Abdominal CT · axial view · W/L 400/40 HU · 15 organs annotated in this scan (a whole-scan count: organs this slice does not pass through have no box)
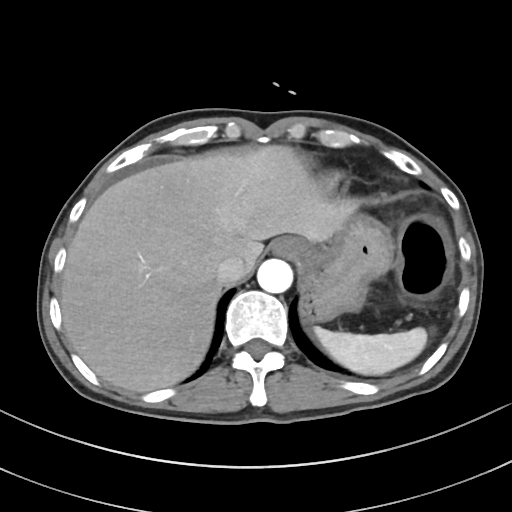
One row per box, in pixels: columns x1 and y1 give the top-left corner, x2 and y2 the bottom-right.
| organ | x1 | y1 | x2 | y2 |
|---|---|---|---|---|
| spleen | 314 | 327 | 427 | 375 |
| esophagus | 272 | 237 | 307 | 258 |
| liver | 60 | 145 | 356 | 392 |
| stomach | 301 | 214 | 395 | 321 |
| aorta | 257 | 259 | 293 | 293 |
| inferior vena cava | 216 | 256 | 245 | 283 |